CT, abdomen/pelvis. axial view. abdomen soft-tissue window
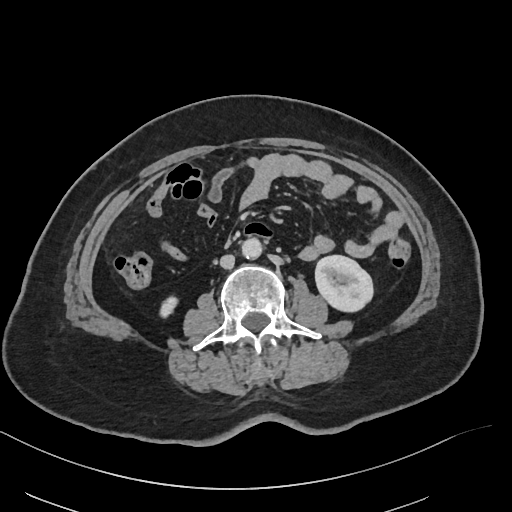

Organ boxes in pixel coordinates; each row gives the top-left (x1, y1) and bottom-right (x2, y2) corners.
| organ | x1 | y1 | x2 | y2 |
|---|---|---|---|---|
| right kidney | 161 | 296 | 177 | 317 |
| left kidney | 315 | 255 | 372 | 310 |
| aorta | 241 | 237 | 262 | 258 |
| inferior vena cava | 220 | 254 | 234 | 267 |